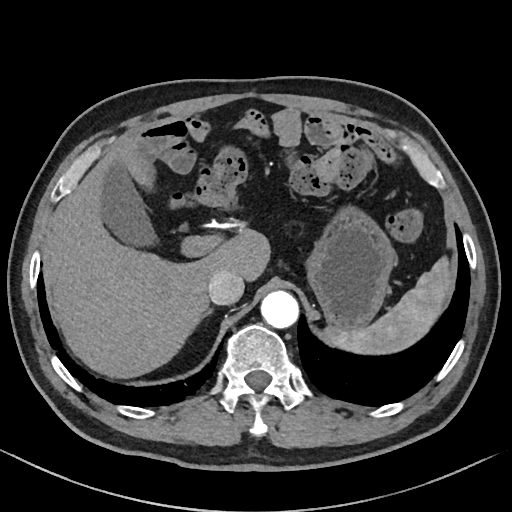
Abdominal CT · Axial slice 169/245 · 15 organs annotated in this scan (counted over the whole 3D scan, not this slice; an organ is boxed only where this slice passes through it)
Boxes: x1:y1:x2:y2 in pixels.
spleen: 325:257:449:353
gall bladder: 101:164:157:247
liver: 44:136:270:378
stomach: 305:205:396:329
aorta: 260:291:299:328
inferior vena cava: 208:271:244:304
right adrenal gland: 204:308:213:316